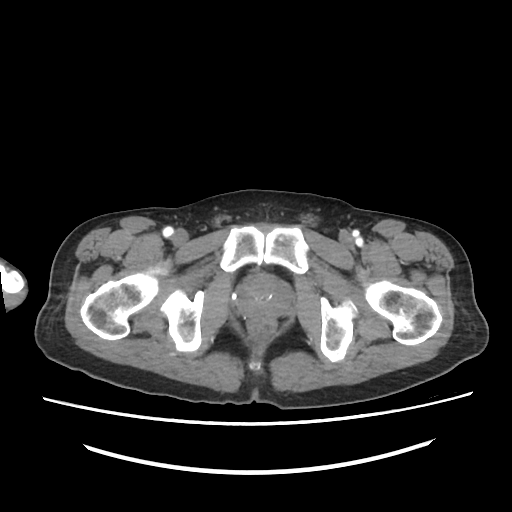
Computed tomography, abdomen; axial view; soft-tissue window (W 400 / L 40); 512x512 px; 61-year-old male patient
Boxes: x1:y1:x2:y2 in pixels.
prostate/uterus: 237:274:290:315